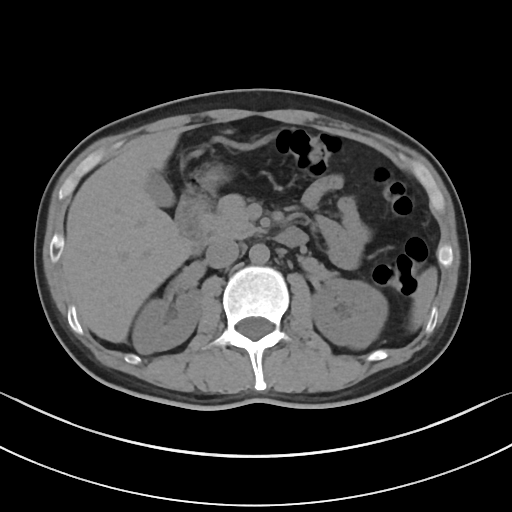 CT, abdomen/pelvis. axial view. SOMATOM Force scanner
Boxes are (x1, y1, x2, y2) in pixels.
inferior vena cava: (205, 239, 238, 268)
gall bladder: (145, 172, 172, 206)
liver: (61, 129, 191, 342)
pancreas: (202, 194, 260, 240)
left kidney: (310, 278, 388, 349)
aorta: (249, 244, 269, 264)
spleen: (412, 267, 437, 330)
duodenum: (176, 193, 307, 253)
stomach: (193, 167, 227, 190)
right kidney: (132, 289, 201, 353)